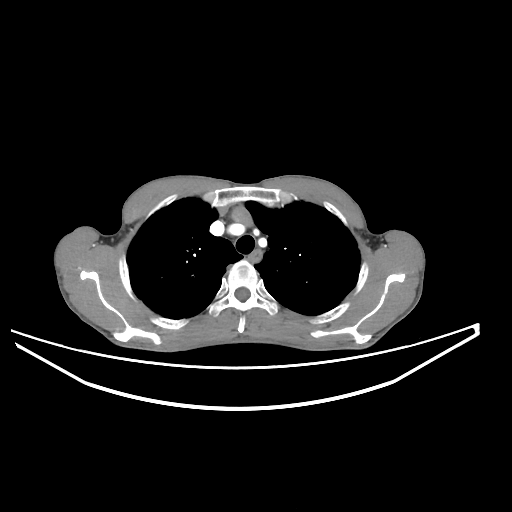 Abdominal CT reaching into the chest; this slice is in the chest · axial view · 512x512 px · 60-year-old male patient · Aquilion ONE scanner
At this level of the chest no structure but the esophagus and the aorta has a label in this dataset, and those two are boxed only where they are labeled.
Bounding boxes in pixels, one row per box: x1, y1 is the top-left corner and x2, y2 the bottom-right.
| organ | x1 | y1 | x2 | y2 |
|---|---|---|---|---|
| esophagus | 249 | 249 | 262 | 263 |